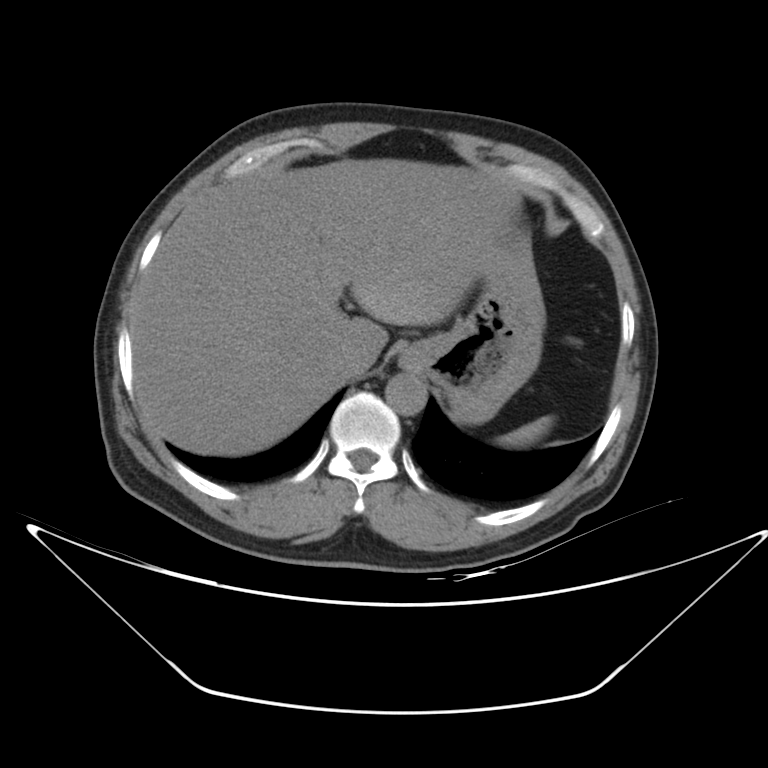

CT, abdomen/pelvis. Axial slice 84/87. 45-year-old male patient. 15 organs annotated in this scan (that count is for the whole scan; organs this slice misses have no box)
<organs><organ name="spleen" x1="499" y1="416" x2="551" y2="444"/><organ name="liver" x1="131" y1="159" x2="543" y2="455"/><organ name="stomach" x1="399" y1="270" x2="543" y2="423"/><organ name="aorta" x1="385" y1="373" x2="426" y2="415"/><organ name="inferior vena cava" x1="331" y1="341" x2="373" y2="372"/></organs>